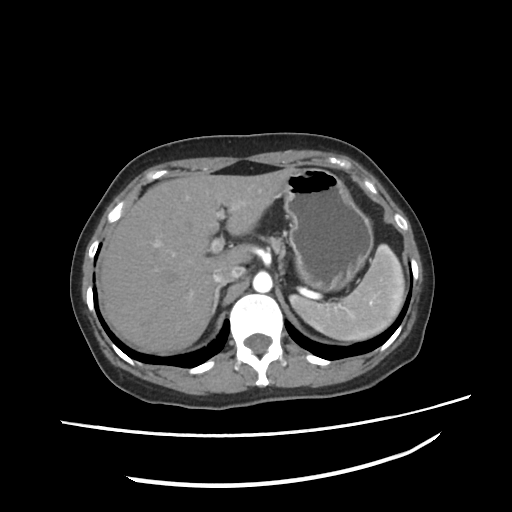 Computed tomography, abdomen. axial view. soft-tissue window. 512x512 px
Coordinates as <box>x1,y1,x2,y2</box> in pixels.
Organ bounding boxes:
- aorta: <box>253,271,272,292</box>
- pancreas: <box>260,236,284,256</box>
- inferior vena cava: <box>212,265,246,283</box>
- liver: <box>99,167,296,354</box>
- spleen: <box>288,244,405,341</box>
- right adrenal gland: <box>212,284,223,312</box>
- stomach: <box>282,167,373,291</box>